CT, abdomen/pelvis; axial plane, index 16; soft-tissue window (W 400 / L 40)
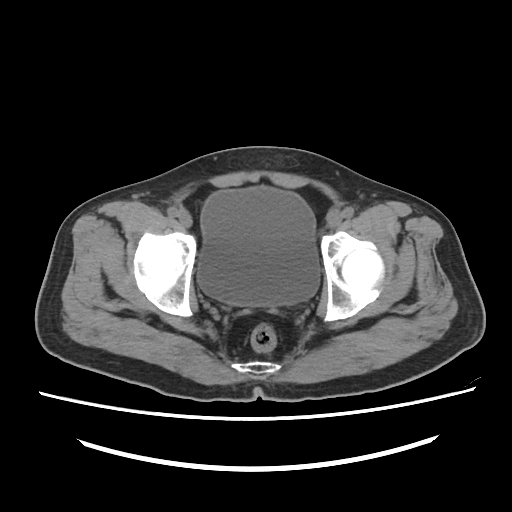
Coordinates as <box>x1,y1,x2,y2</box> in pixels.
Organ bounding boxes:
- bladder: <box>197,187,319,305</box>